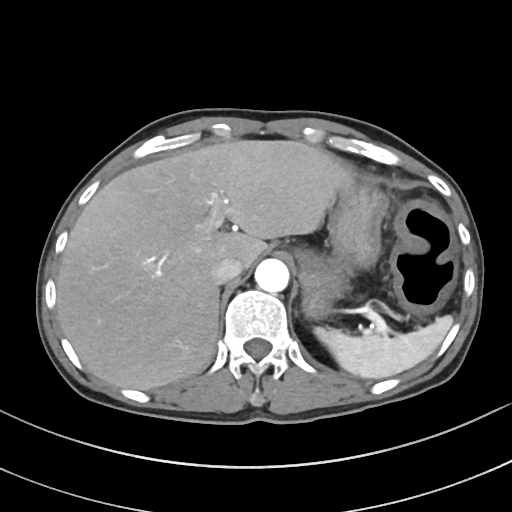

Computed tomography, abdomen; axial plane, index 72; 512x512 px; SOMATOM Force scanner
Boxes are (x1, y1, x2, y2) in pixels. Labeled organs on this slice: spleen at (314, 316, 451, 379), liver at (57, 140, 353, 390), stomach at (296, 185, 387, 318), aorta at (254, 259, 289, 292), inferior vena cava at (211, 258, 242, 284).